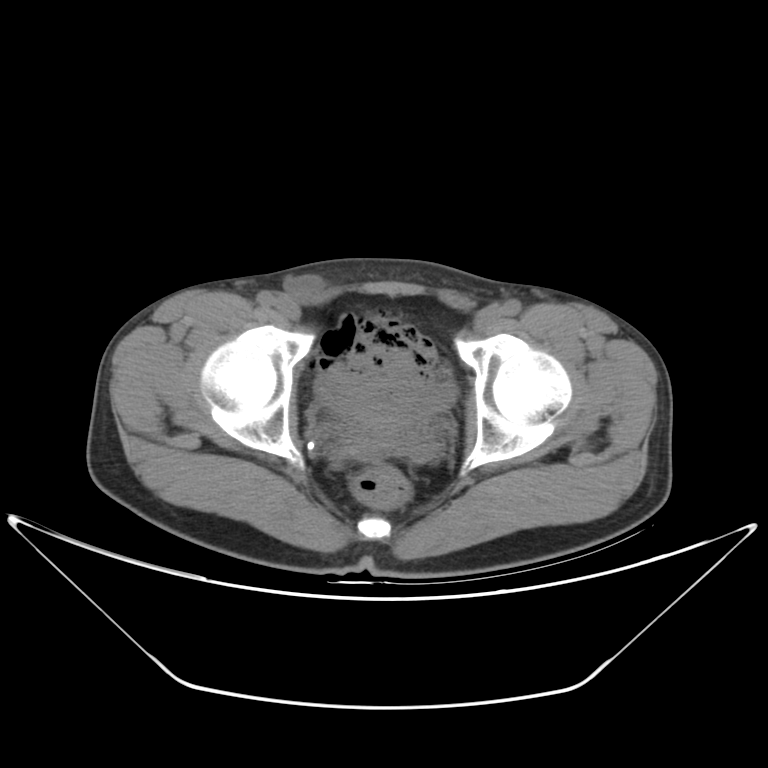

Computed tomography, abdomen. axial view. soft-tissue window (W 400 / L 40). 768x768 px
Each box given as x1,y1,x2,y2.
bladder: x1=315, y1=378, x2=455, y2=426